Chest-level CT slice, above the liver and spleen. axial view. soft-tissue window
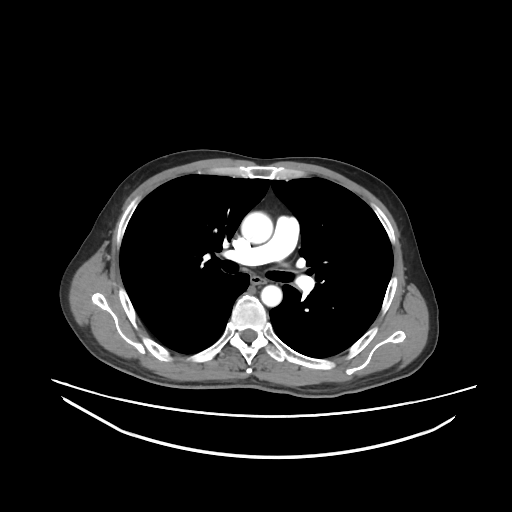
On a slice this high in the chest, this dataset labels only the esophagus and the aorta, and each is boxed only where it is labeled; the heart, lungs and other chest structures are not labeled.
<organs><organ name="aorta" x1="241" y1="212" x2="273" y2="243"/><organ name="aorta" x1="260" y1="285" x2="282" y2="306"/><organ name="esophagus" x1="251" y1="276" x2="266" y2="285"/></organs>